Computed tomography, abdomen · axial view · acquired on Aquilion ONE
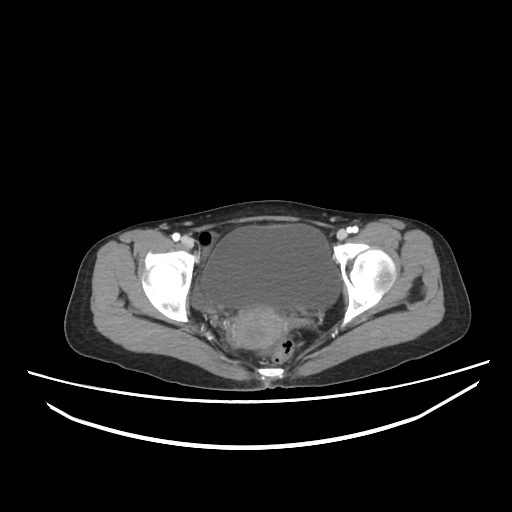
{"organs":{"prostate/uterus":[232,306,283,348],"bladder":[201,224,341,309]}}